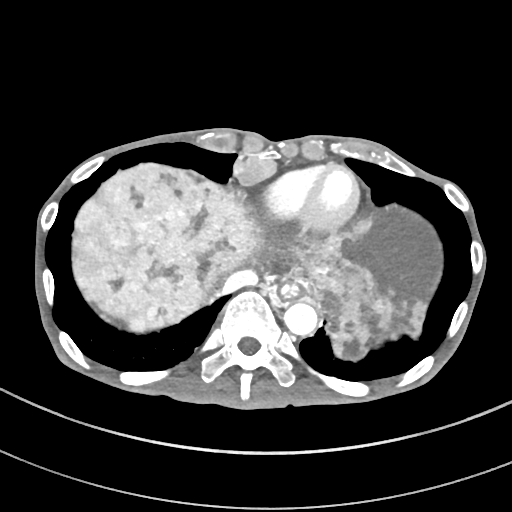

Computed tomography, abdomen; axial view; soft-tissue window (W 400 / L 40); 512x512 px
Coordinates as <box>x1,y1,x2,y2</box> in pixels.
spleen: <box>375,301,390,315</box>
esophagus: <box>281,282,298,298</box>
liver: <box>73,161,441,361</box>
aorta: <box>283,302,317,336</box>
inferior vena cava: <box>215,270,258,295</box>